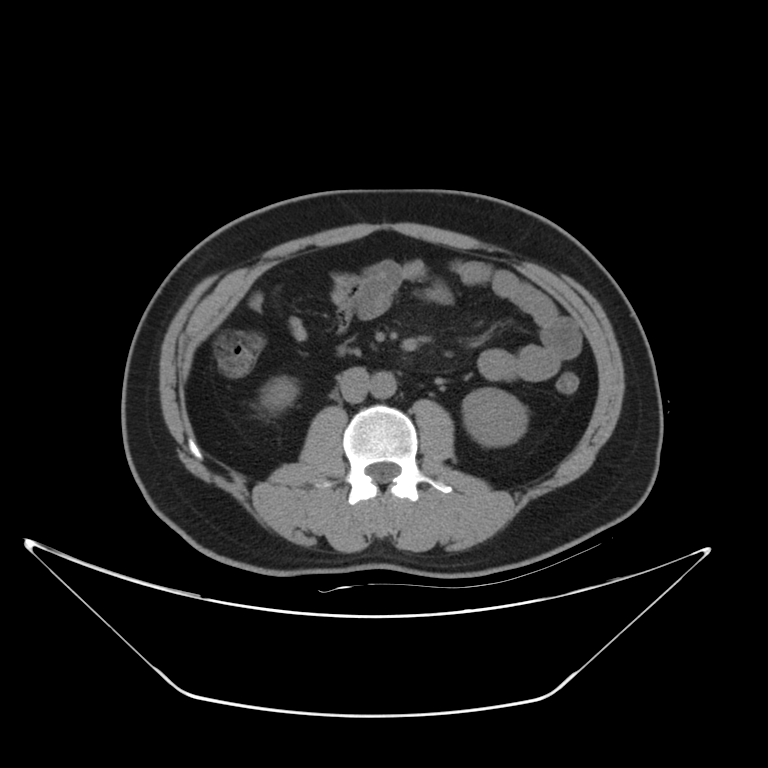 CT abdomen; axial view
Each box given as x1,y1,x2,y2.
right kidney: x1=263, y1=377, x2=298, y2=406
left kidney: x1=463, y1=388, x2=527, y2=446
aorta: x1=371, y1=371, x2=396, y2=398
inferior vena cava: x1=338, y1=366, x2=370, y2=402